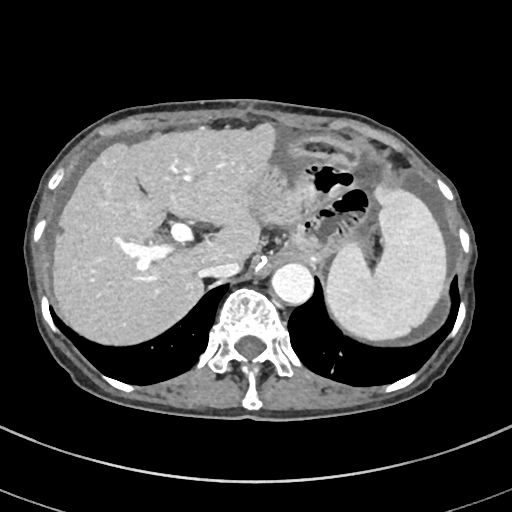
CT, abdomen/pelvis; axial view; abdomen soft-tissue window; acquired on SOMATOM Force
<organs><organ name="spleen" x1="324" y1="186" x2="445" y2="339"/><organ name="liver" x1="53" y1="121" x2="275" y2="343"/><organ name="aorta" x1="271" y1="263" x2="314" y2="305"/><organ name="inferior vena cava" x1="199" y1="261" x2="239" y2="278"/></organs>